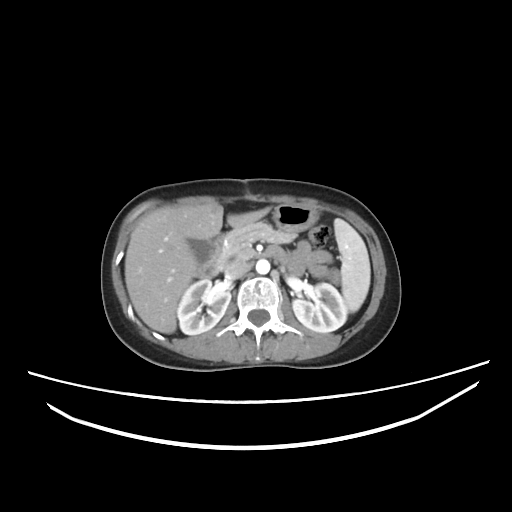 CT, abdomen/pelvis — axial view — 43-year-old female patient
Organ boxes in pixel coordinates; each row gives the top-left (x1, y1) and bottom-right (x2, y2) corners.
| organ | x1 | y1 | x2 | y2 |
|---|---|---|---|---|
| liver | 125 | 202 | 270 | 333 |
| right kidney | 177 | 279 | 230 | 334 |
| left kidney | 292 | 283 | 347 | 332 |
| inferior vena cava | 225 | 261 | 250 | 278 |
| stomach | 273 | 204 | 318 | 233 |
| spleen | 334 | 219 | 370 | 312 |
| aorta | 256 | 259 | 270 | 274 |
| pancreas | 219 | 221 | 295 | 267 |
| gall bladder | 188 | 239 | 208 | 256 |
| duodenum | 196 | 235 | 223 | 278 |